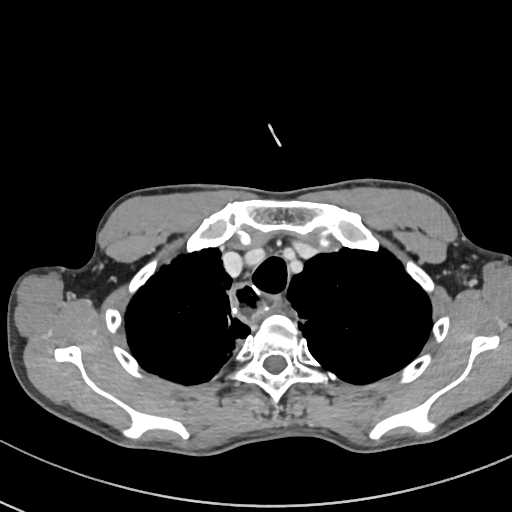
CT of the abdomen extending into the chest, slice through the chest; axial view; soft-tissue window, W/L 400/40
At this level of the chest no structure but the esophagus and the aorta has a label in this dataset, and those two are boxed only where they are labeled.
<organs><organ name="esophagus" x1="230" y1="283" x2="282" y2="323"/></organs>